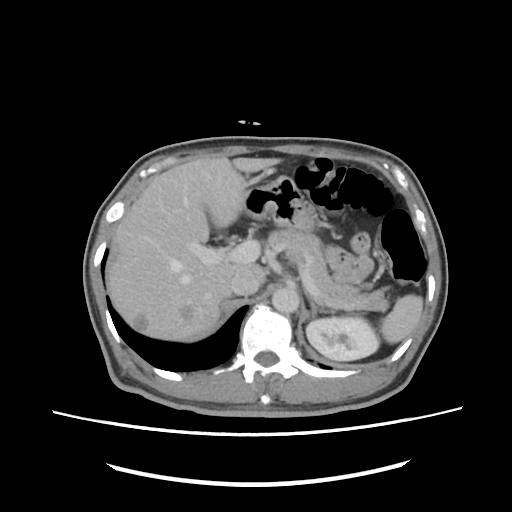 Abdominal CT — axial plane, index 72 — 512x512 px — 54-year-old male patient — 15 organs annotated in this scan (that count is for the whole scan; organs this slice misses have no box)
One row per box, in pixels: columns x1 and y1 give the top-left corner, x2 and y2 the bottom-right.
| organ | x1 | y1 | x2 | y2 |
|---|---|---|---|---|
| spleen | 380 | 294 | 423 | 343 |
| left kidney | 306 | 316 | 379 | 360 |
| liver | 107 | 156 | 281 | 341 |
| stomach | 243 | 176 | 316 | 231 |
| aorta | 271 | 287 | 299 | 312 |
| inferior vena cava | 230 | 268 | 260 | 295 |
| pancreas | 266 | 228 | 388 | 311 |
| left adrenal gland | 308 | 296 | 335 | 318 |